CT, abdomen/pelvis · axial view · acquired on SOMATOM Force · 15 organs annotated in this scan (counted over the whole 3D scan, not this slice; an organ is boxed only where this slice passes through it)
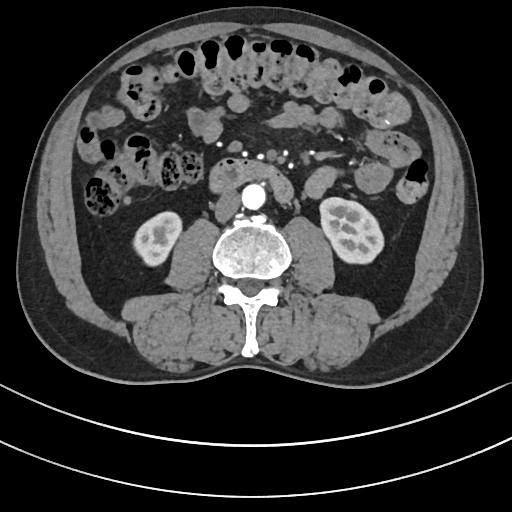
Each box given as x1,y1,x2,y2. The annotated organs in this slice are: duodenum at x1=210, y1=158, x2=293, y2=202, left kidney at x1=320, y1=197, x2=383, y2=263, inferior vena cava at x1=214, y1=191, x2=241, y2=221, aorta at x1=241, y1=184, x2=265, y2=209, right kidney at x1=133, y1=211, x2=181, y2=265.